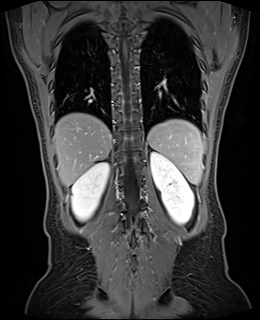 Abdominal MRI. coronal view. 260x320 px
Each box given as x1,y1,x2,y2.
Organ bounding boxes:
- spleen: x1=147, y1=119, x2=203, y2=184
- right kidney: x1=71, y1=162, x2=109, y2=221
- left kidney: x1=150, y1=152, x2=194, y2=224
- liver: x1=53, y1=113, x2=112, y2=186